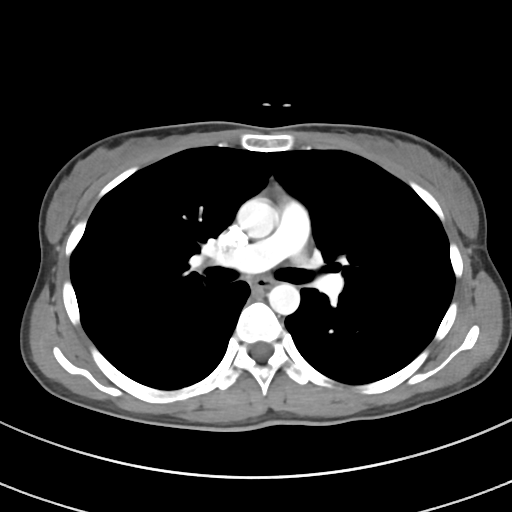
CT of the abdomen extending into the chest, slice through the chest. axial plane, index 95
On a slice this high in the chest, this dataset labels only the esophagus and the aorta, and each is boxed only where it is labeled; the heart, lungs and other chest structures are not labeled.
One row per box, in pixels: columns x1 and y1 give the top-left corner, x2 and y2 the bottom-right.
| organ | x1 | y1 | x2 | y2 |
|---|---|---|---|---|
| esophagus | 250 | 277 | 273 | 290 |
| aorta | 237 | 198 | 278 | 238 |
| aorta | 268 | 283 | 299 | 315 |